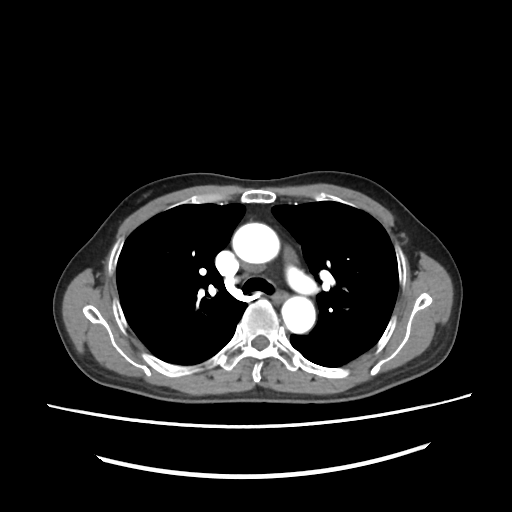

Abdominal CT reaching into the chest; this slice is in the chest. Axial slice 111/132. W/L 400/40 HU. 67-year-old male patient. Aquilion ONE scanner. 15 organs annotated in this scan (a whole-scan count: organs this slice does not pass through have no box)
At this level of the chest no structure but the esophagus and the aorta has a label in this dataset, and those two are boxed only where they are labeled.
Boxes: x1:y1:x2:y2 in pixels.
esophagus: 272:292:287:301
aorta: 232:223:279:265
aorta: 276:296:317:333